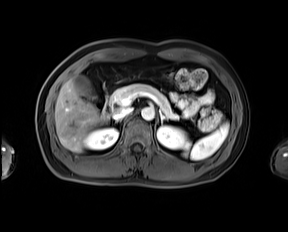

Abdominal MRI. axial view
Bounding boxes as [x1, y1, x2, y2] in pixel coordinates. The annotated organs in this slice are: spleen at [184, 123, 228, 160], right kidney at [84, 128, 118, 149], left kidney at [157, 125, 189, 148], gall bladder at [73, 75, 96, 99], liver at [55, 79, 103, 152], aorta at [141, 107, 154, 120], inferior vena cava at [113, 107, 132, 119], pancreas at [111, 83, 178, 119], left adrenal gland at [159, 110, 167, 124], duodenum at [102, 96, 112, 118].